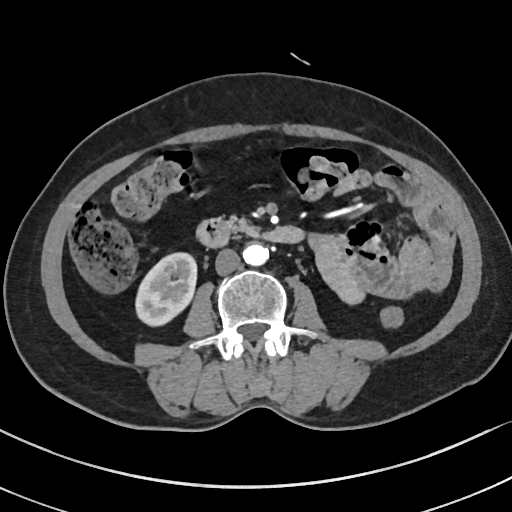 CT abdomen; axial view; SOMATOM Force scanner
<organs><organ name="right kidney" x1="134" y1="253" x2="197" y2="325"/><organ name="aorta" x1="243" y1="243" x2="268" y2="266"/><organ name="inferior vena cava" x1="215" y1="249" x2="241" y2="275"/><organ name="pancreas" x1="225" y1="215" x2="256" y2="236"/><organ name="duodenum" x1="195" y1="219" x2="305" y2="248"/></organs>